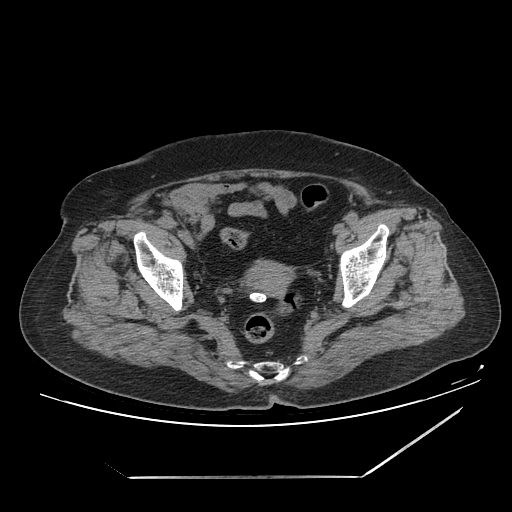

CT, abdomen/pelvis; axial view
Bounding boxes as [x1, y1, x2, y2] in pixel coordinates.
prostate/uterus: [246, 260, 292, 295]